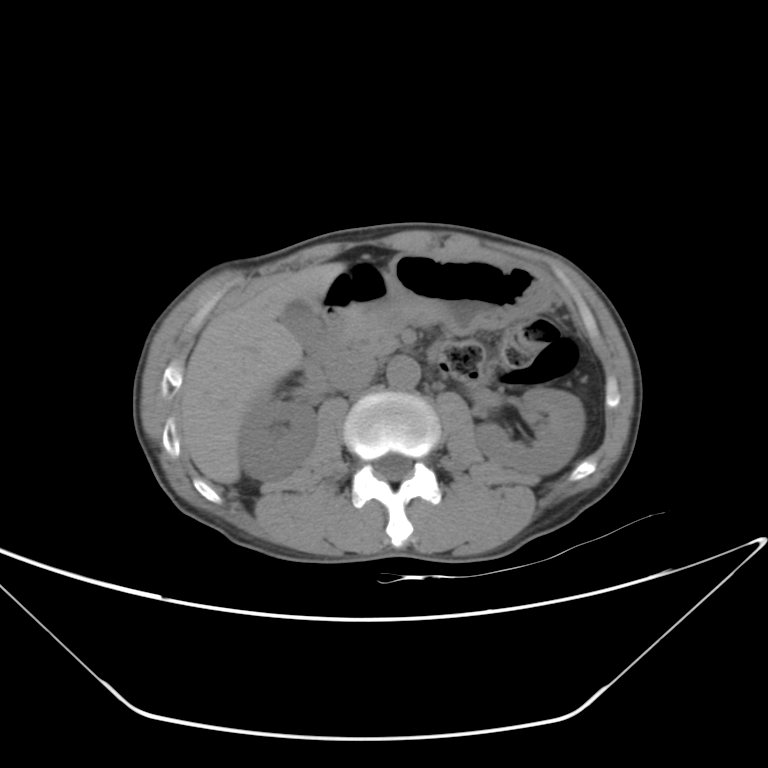 CT abdomen; axial view; acquired on Brilliance16
Bounding boxes in pixels, one row per box: x1, y1 is the top-left corner and x2, y2 the bottom-right.
| organ | x1 | y1 | x2 | y2 |
|---|---|---|---|---|
| right kidney | 239 | 393 | 316 | 479 |
| left kidney | 474 | 386 | 584 | 478 |
| gall bladder | 282 | 300 | 324 | 352 |
| liver | 179 | 249 | 498 | 484 |
| stomach | 354 | 252 | 548 | 333 |
| aorta | 386 | 356 | 419 | 390 |
| inferior vena cava | 325 | 352 | 376 | 391 |
| pancreas | 340 | 303 | 438 | 355 |
| duodenum | 305 | 308 | 347 | 370 |